CT, abdomen/pelvis; axial view; 768x768 px; 59-year-old male patient
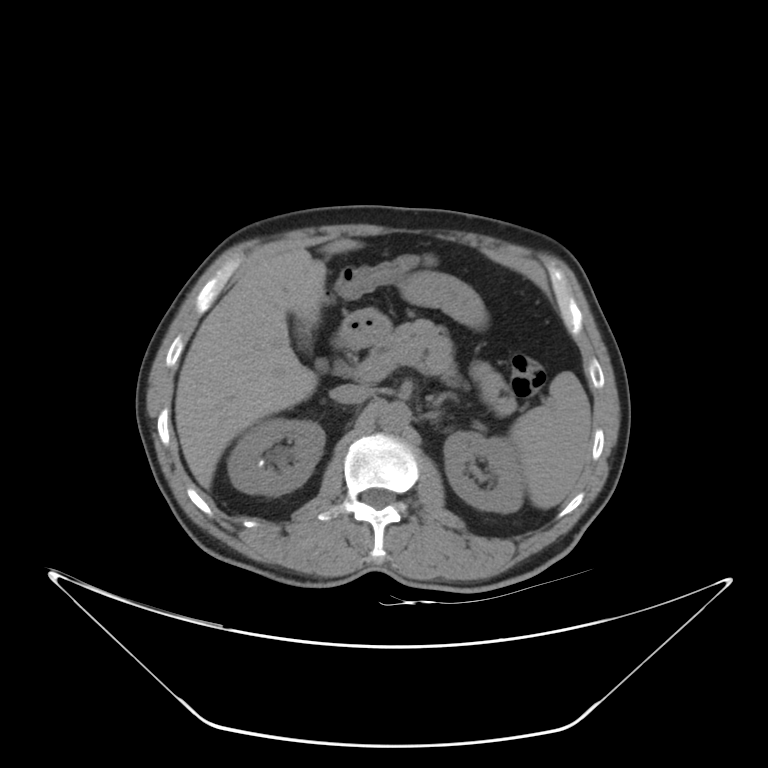

<organs><organ name="spleen" x1="509" y1="371" x2="591" y2="509"/><organ name="right kidney" x1="227" y1="417" x2="324" y2="495"/><organ name="left kidney" x1="443" y1="432" x2="523" y2="513"/><organ name="gall bladder" x1="293" y1="319" x2="311" y2="348"/><organ name="liver" x1="175" y1="239" x2="361" y2="488"/><organ name="stomach" x1="339" y1="308" x2="391" y2="347"/><organ name="aorta" x1="379" y1="402" x2="410" y2="431"/><organ name="inferior vena cava" x1="330" y1="384" x2="373" y2="404"/><organ name="pancreas" x1="369" y1="319" x2="517" y2="416"/><organ name="left adrenal gland" x1="433" y1="393" x2="457" y2="406"/><organ name="duodenum" x1="333" y1="333" x2="353" y2="347"/></organs>